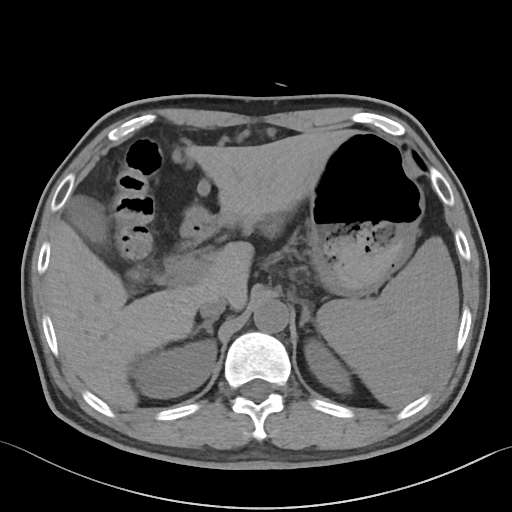 CT, abdomen/pelvis; axial view; soft-tissue window; 512x512 px
<organs><organ name="spleen" x1="318" y1="236" x2="458" y2="407"/><organ name="right kidney" x1="133" y1="340" x2="216" y2="398"/><organ name="left kidney" x1="304" y1="339" x2="351" y2="393"/><organ name="gall bladder" x1="66" y1="197" x2="105" y2="240"/><organ name="liver" x1="46" y1="129" x2="446" y2="409"/><organ name="stomach" x1="180" y1="131" x2="424" y2="297"/><organ name="aorta" x1="253" y1="299" x2="289" y2="332"/><organ name="inferior vena cava" x1="199" y1="297" x2="227" y2="318"/><organ name="right adrenal gland" x1="191" y1="317" x2="218" y2="336"/><organ name="left adrenal gland" x1="300" y1="303" x2="315" y2="326"/><organ name="duodenum" x1="165" y1="208" x2="215" y2="273"/></organs>